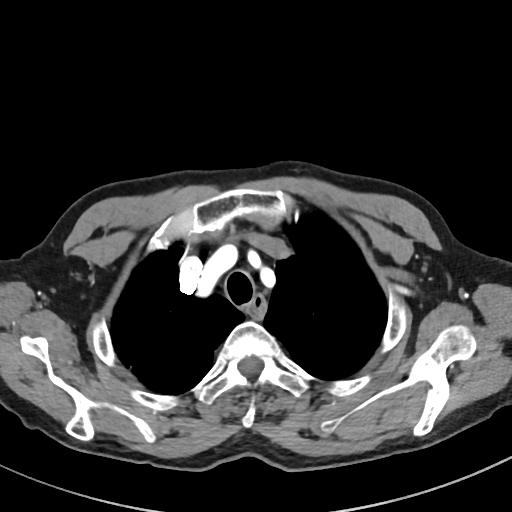

Chest-level CT slice, above the liver and spleen; axial plane, index 284; W/L 400/40 HU; 512x512 px; acquired on SOMATOM Force; scan has 15 labeled organs (counted over the whole 3D scan, not this slice; an organ is boxed only where this slice passes through it)
On a slice this high in the chest, this dataset labels only the esophagus and the aorta, and each is boxed only where it is labeled; the heart, lungs and other chest structures are not labeled.
Bounding boxes in pixels, one row per box: x1, y1 is the top-left corner and x2, y2 the bottom-right.
| organ | x1 | y1 | x2 | y2 |
|---|---|---|---|---|
| esophagus | 247 | 296 | 266 | 317 |